Abdominal CT — axial view — soft-tissue window — 38-year-old female patient
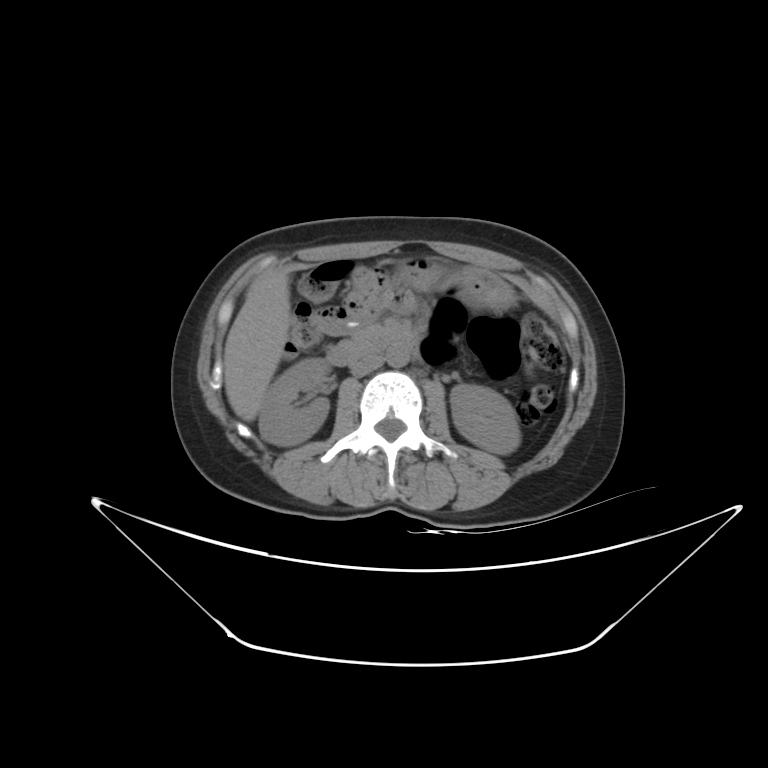

<organs><organ name="right kidney" x1="259" y1="358" x2="330" y2="446"/><organ name="left kidney" x1="449" y1="383" x2="520" y2="454"/><organ name="liver" x1="223" y1="273" x2="291" y2="420"/><organ name="stomach" x1="402" y1="258" x2="515" y2="310"/><organ name="aorta" x1="386" y1="347" x2="409" y2="367"/><organ name="inferior vena cava" x1="350" y1="354" x2="384" y2="375"/><organ name="pancreas" x1="350" y1="326" x2="388" y2="349"/><organ name="duodenum" x1="326" y1="333" x2="418" y2="365"/></organs>